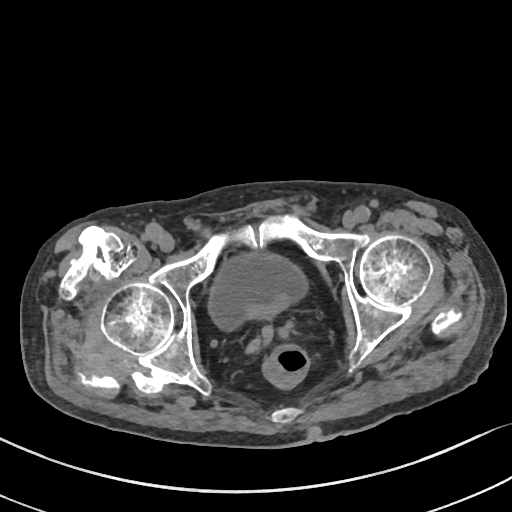 Computed tomography, abdomen; axial view; soft-tissue window
Bounding boxes as [x1, y1, x2, y2] in pixel coordinates.
Organ bounding boxes:
- bladder: [208, 253, 307, 329]
- prostate/uterus: [246, 296, 288, 319]